CT abdomen; Axial slice 323/353; soft-tissue window (W 400 / L 40); 512x512 px; 14 organs annotated in this scan (a whole-scan count: organs this slice does not pass through have no box)
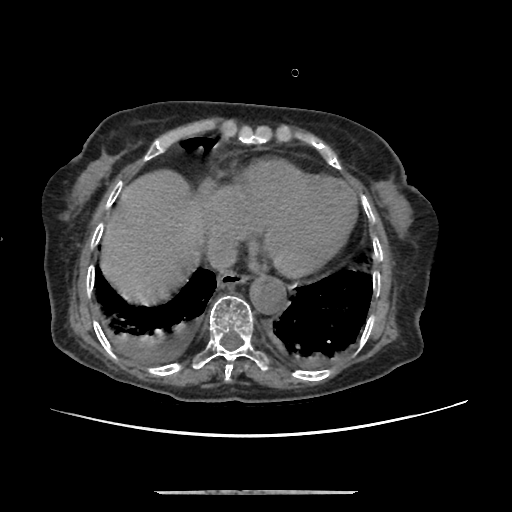
Bounding boxes in pixels, one row per box: x1, y1 is the top-left corner and x2, y2 the bottom-right.
| organ | x1 | y1 | x2 | y2 |
|---|---|---|---|---|
| esophagus | 217 | 270 | 249 | 286 |
| liver | 100 | 169 | 200 | 300 |
| aorta | 249 | 276 | 285 | 314 |
| inferior vena cava | 206 | 234 | 237 | 271 |